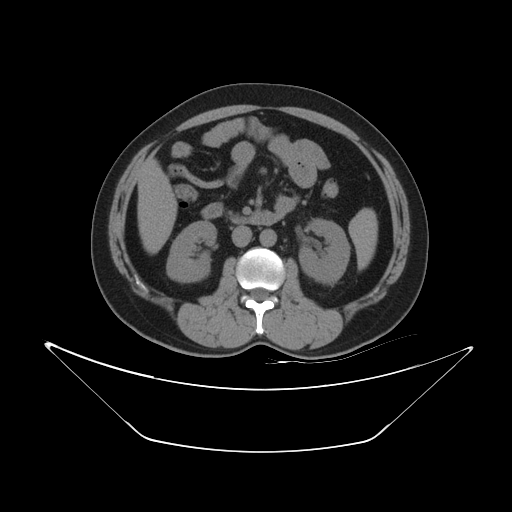 CT abdomen — axial view — 512x512 px — 41-year-old male patient — scan has 15 labeled organs (a whole-scan count: organs this slice does not pass through have no box)
Bounding boxes in pixels, one row per box: x1, y1 is the top-left corner and x2, y2 the bottom-right.
| organ | x1 | y1 | x2 | y2 |
|---|---|---|---|---|
| spleen | 348 | 207 | 378 | 270 |
| right kidney | 166 | 221 | 216 | 282 |
| left kidney | 299 | 219 | 349 | 283 |
| liver | 137 | 158 | 177 | 254 |
| aorta | 260 | 229 | 275 | 246 |
| inferior vena cava | 231 | 225 | 251 | 247 |
| duodenum | 201 | 203 | 283 | 225 |